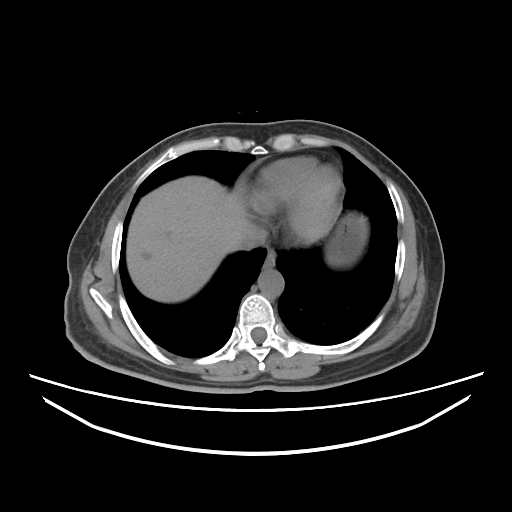
CT abdomen · Axial slice 91/97 · soft-tissue window
Box edges are left/top/right/bottom in pixels.
Organ bounding boxes:
- esophagus: left=263, top=249, right=275, bottom=268
- liver: left=126, top=176, right=254, bottom=302
- stomach: left=325, top=213, right=368, bottom=267
- aorta: left=258, top=269, right=284, bottom=298
- inferior vena cava: left=239, top=225, right=266, bottom=249